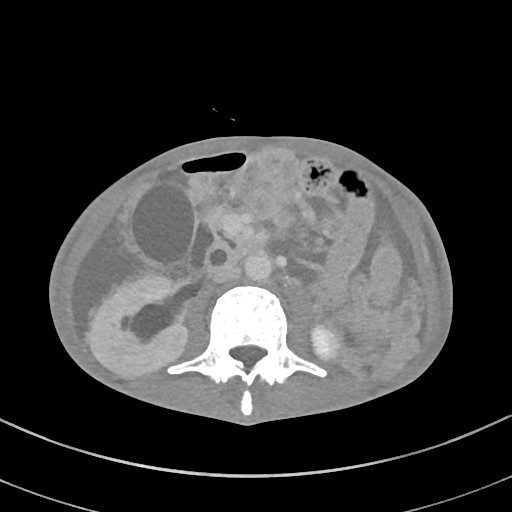 Computed tomography, abdomen · axial plane, index 53 · soft-tissue window
{"organs":{"right kidney":[89,275,186,375],"left kidney":[141,327,336,374],"gall bladder":[131,183,197,266],"aorta":[244,251,272,281],"inferior vena cava":[209,263,240,282],"pancreas":[207,204,260,258],"duodenum":[177,261,207,276]}}